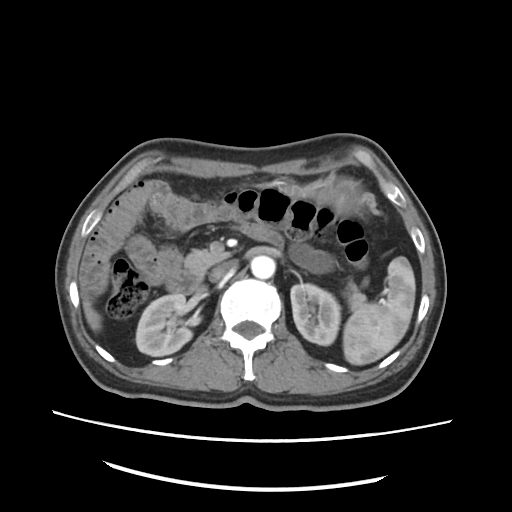

Abdominal CT · axial view
Boxes are (x1, y1, x2, y2) in pixels.
Organ bounding boxes:
- spleen: (342, 165, 461, 365)
- right kidney: (136, 295, 191, 356)
- left kidney: (290, 282, 341, 345)
- liver: (82, 299, 102, 330)
- stomach: (284, 182, 367, 210)
- aorta: (251, 256, 276, 279)
- inferior vena cava: (211, 258, 237, 279)
- pancreas: (181, 248, 368, 312)
- duodenum: (165, 266, 199, 294)